Abdominal CT — axial view — abdomen soft-tissue window — 512x512 px — 46-year-old male patient
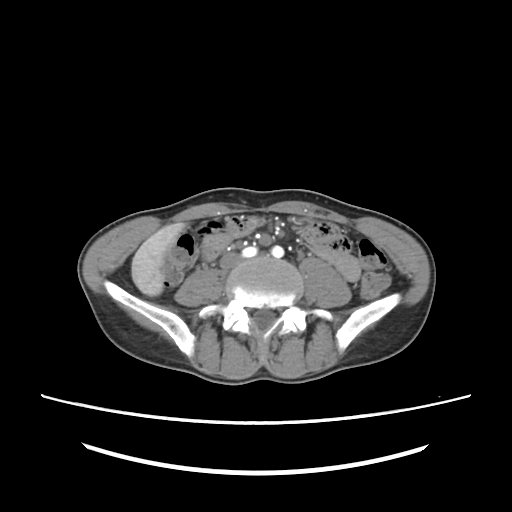 Box edges are left/top/right/bottom in pixels.
liver: left=131, top=224, right=183, bottom=295